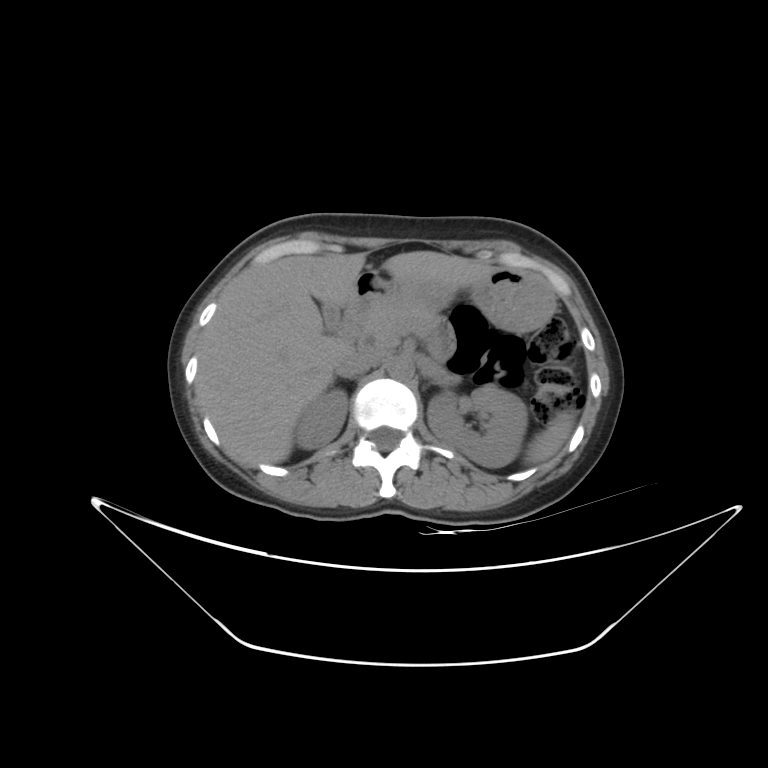
Abdominal CT. Axial slice 68/83. soft-tissue window (W 400 / L 40). 38-year-old female patient. acquired on Brilliance16. scan has 15 labeled organs (a whole-scan count: organs this slice does not pass through have no box)
Each box given as x1,y1,x2,y2.
spleen: x1=525, y1=411, x2=574, y2=464
right kidney: x1=295, y1=388, x2=347, y2=448
left kidney: x1=427, y1=385, x2=526, y2=468
gall bladder: x1=321, y1=303, x2=340, y2=330
liver: x1=195, y1=252, x2=491, y2=465
stomach: x1=354, y1=265, x2=553, y2=332
aorta: x1=387, y1=357, x2=414, y2=380
inferior vena cava: x1=335, y1=350, x2=384, y2=378
pancreas: x1=358, y1=299, x2=439, y2=347
duodenum: x1=337, y1=294, x2=373, y2=342